CT abdomen · axial view · 50-year-old female patient
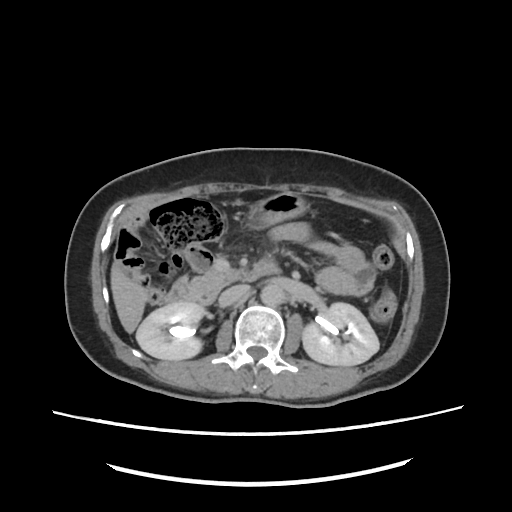
Coordinates as <box>x1,y1,x2,y2</box> in pixels. 8 labeled organs on this slice — right kidney at <box>136,303,204,360</box>; left kidney at <box>303,303,378,366</box>; liver at <box>111,265,146,333</box>; stomach at <box>249,192,309,224</box>; aorta at <box>260,282,282,304</box>; inferior vena cava at <box>220,284,248,306</box>; pancreas at <box>191,270,239,303</box>; duodenum at <box>165,258,284,302</box>.